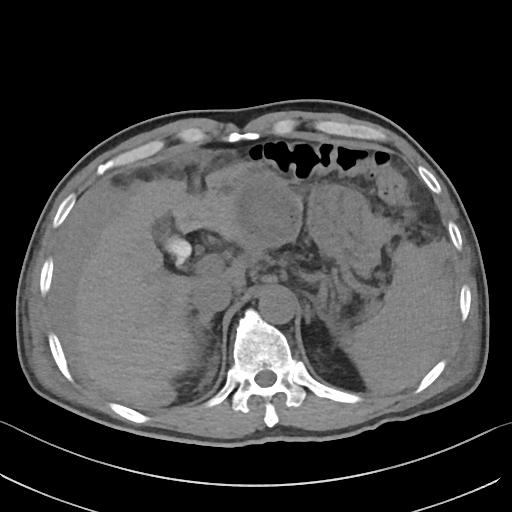

Computed tomography, abdomen; axial view
{"organs":{"stomach":[295,184,390,274],"liver":[73,162,302,407],"left adrenal gland":[305,307,334,329],"right adrenal gland":[192,314,217,359],"aorta":[258,290,296,324],"inferior vena cava":[191,278,232,313],"gall bladder":[165,235,190,258],"spleen":[341,242,448,393]}}